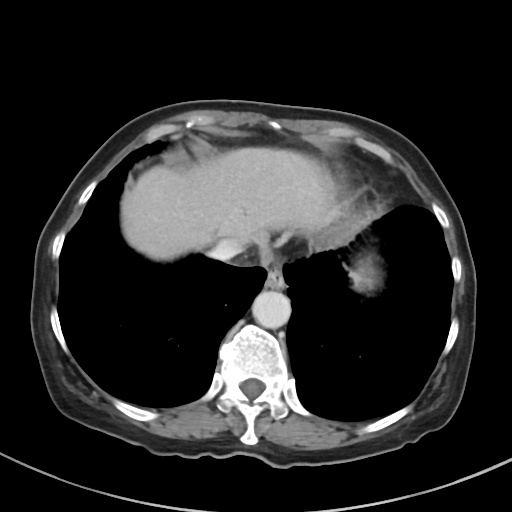 CT, abdomen/pelvis. axial view. W/L 400/40 HU. 512x512 px
<organs><organ name="esophagus" x1="265" y1="266" x2="284" y2="288"/><organ name="liver" x1="121" y1="147" x2="338" y2="260"/><organ name="aorta" x1="252" y1="291" x2="291" y2="328"/><organ name="inferior vena cava" x1="209" y1="240" x2="241" y2="261"/></organs>